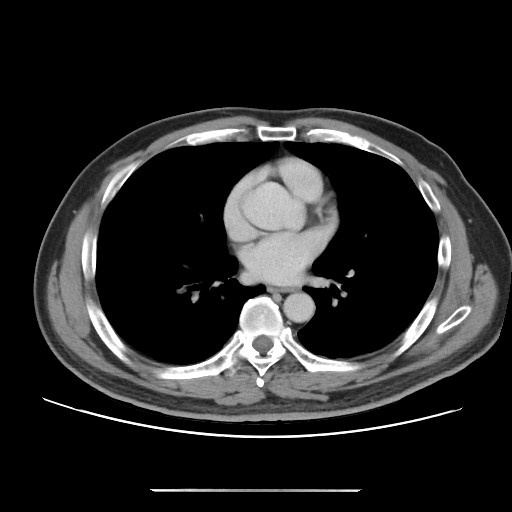
CT of the abdomen reaching into the lower chest, slice just above the liver and spleen; axial view; W/L 400/40 HU; SOMATOM Force scanner; scan has 15 labeled organs (counted over the whole 3D scan, not this slice; an organ is boxed only where this slice passes through it)
No part of the heart or lungs is labeled in this dataset, so neither has a box here. Box edges are left/top/right/bottom in pixels. Labeled organs on this slice: aorta at left=283, top=292, right=315, bottom=322, esophagus at left=269, top=287, right=292, bottom=291.